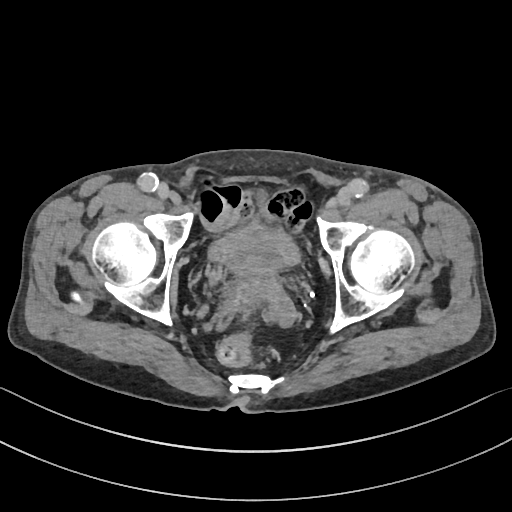
Abdominal CT; axial view; abdomen soft-tissue window
Boxes are (x1, y1, x2, y2) in pixels. Labeled organs on this slice: bladder at (210, 226, 298, 270), prostate/uterus at (234, 259, 274, 281).